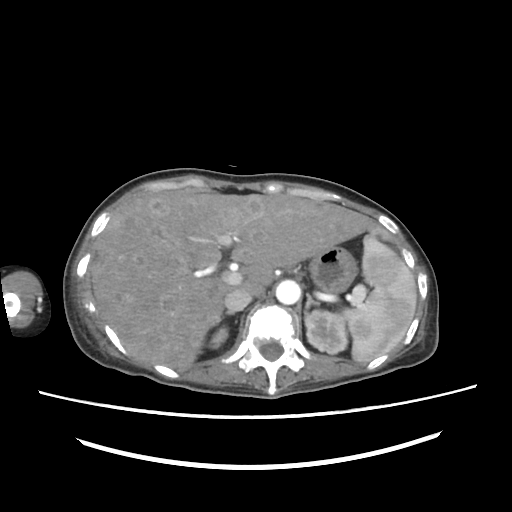 CT abdomen. axial plane, index 65. soft-tissue window. 512x512 px. 48-year-old female patient. scan has 15 labeled organs (that count is for the whole scan; organs this slice misses have no box)
One row per box, in pixels: columns x1 and y1 give the top-left corner, x2 and y2 the bottom-right.
| organ | x1 | y1 | x2 | y2 |
|---|---|---|---|---|
| left adrenal gland | 305 | 293 | 318 | 312 |
| spleen | 342 | 234 | 416 | 362 |
| inferior vena cava | 224 | 288 | 251 | 311 |
| liver | 89 | 190 | 396 | 368 |
| right adrenal gland | 225 | 311 | 234 | 315 |
| stomach | 309 | 246 | 356 | 293 |
| left kidney | 305 | 310 | 347 | 353 |
| right kidney | 210 | 327 | 228 | 348 |
| aorta | 276 | 280 | 300 | 304 |